CT abdomen · axial view · abdomen soft-tissue window · 50-year-old male patient
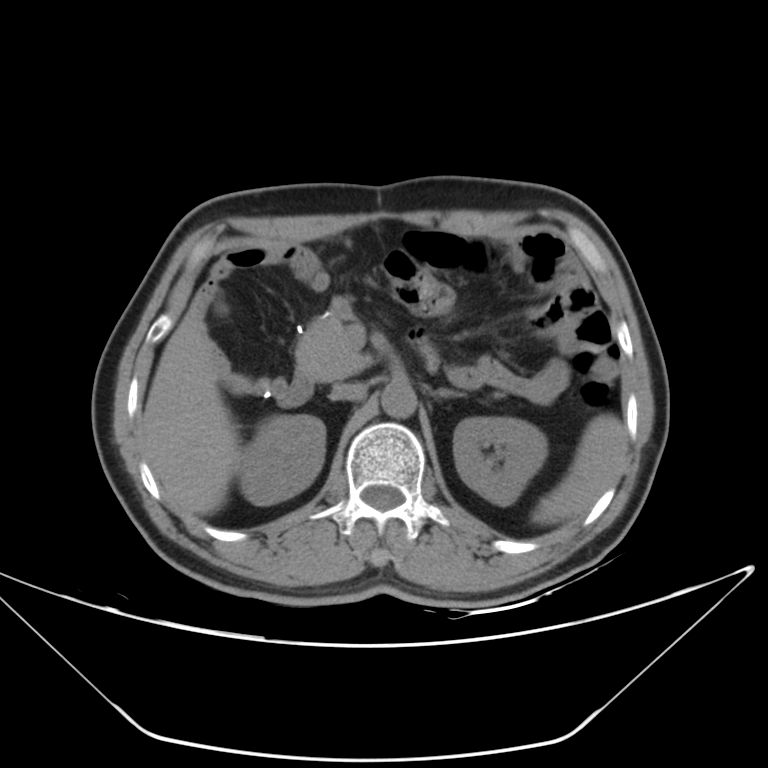 Box edges are left/top/right/bottom in pixels.
Organ bounding boxes:
- spleen: left=532, top=415, right=624, bottom=524
- right kidney: left=238, top=414, right=325, bottom=505
- left kidney: left=453, top=417, right=547, bottom=506
- liver: left=142, top=308, right=240, bottom=515
- aorta: left=381, top=382, right=416, bottom=418
- inferior vena cava: left=330, top=382, right=367, bottom=400
- pancreas: left=295, top=315, right=371, bottom=381
- left adrenal gland: left=435, top=389, right=464, bottom=397
- duodenum: left=273, top=338, right=435, bottom=407